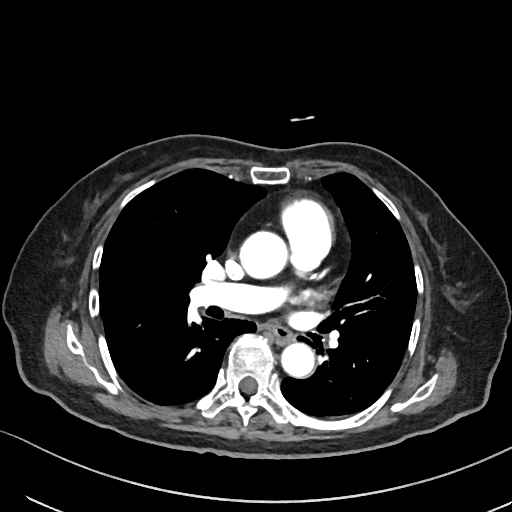
Abdominal CT; this slice is in the lower chest, just above the liver — Axial slice 238/297 — soft-tissue window, W/L 400/40 — 512x512 px — SOMATOM Force scanner — 15 organs annotated in this scan (a whole-scan count: organs this slice does not pass through have no box)
No part of the heart or lungs is labeled in this dataset, so neither has a box here.
<organs><organ name="esophagus" x1="271" y1="326" x2="294" y2="344"/><organ name="aorta" x1="238" y1="230" x2="287" y2="279"/><organ name="aorta" x1="281" y1="343" x2="315" y2="378"/></organs>